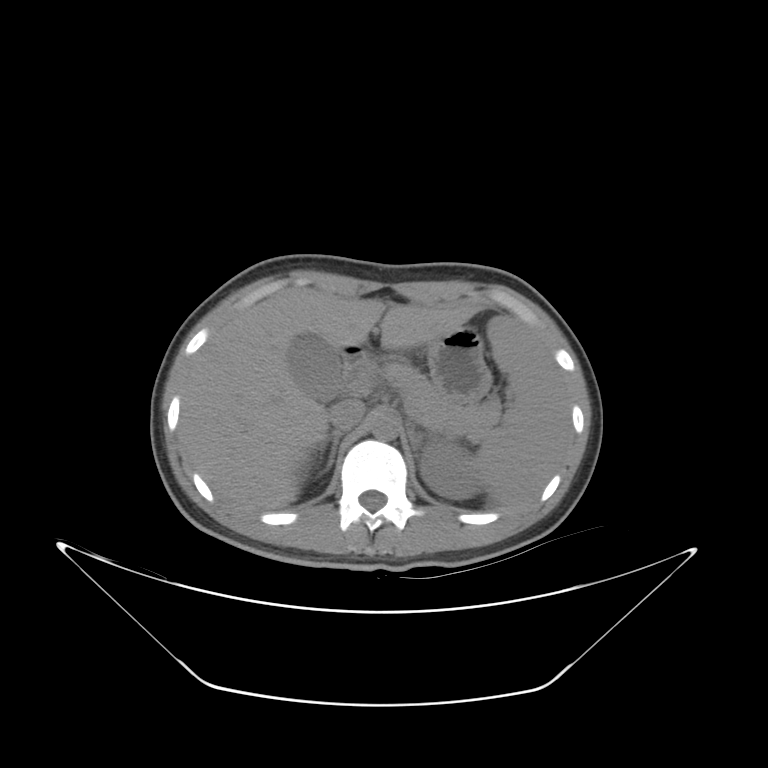

CT, abdomen/pelvis. axial plane, index 76
Boxes: x1:y1:x2:y2 in pixels.
spleen: 478:315:569:507
left kidney: 420:440:483:497
gall bladder: 290:336:346:399
liver: 179:287:477:511
stomach: 427:328:489:401
aorta: 372:410:400:440
inferior vena cava: 327:399:361:429
pancreas: 374:361:501:434
right adrenal gland: 311:431:345:481
left adrenal gland: 409:428:432:458
duodenum: 338:345:370:384